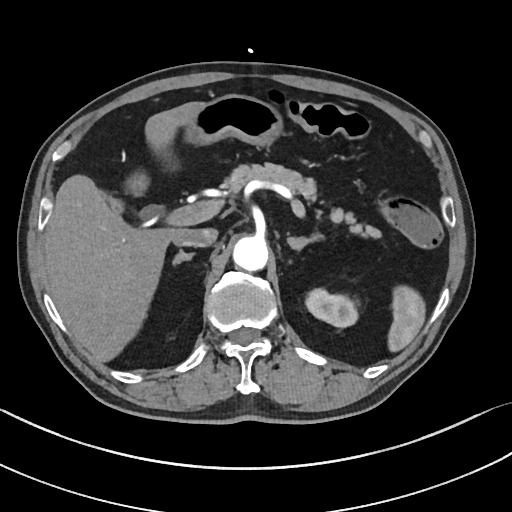 Computed tomography, abdomen — Axial slice 165/306 — 15 organs annotated in this scan (that count is for the whole scan; organs this slice misses have no box)
{"organs":{"spleen":[388,285,425,352],"left kidney":[305,288,358,327],"gall bladder":[99,193,123,213],"liver":[44,102,203,361],"stomach":[186,94,283,146],"aorta":[233,236,268,271],"inferior vena cava":[174,228,217,247],"pancreas":[223,163,381,238],"right adrenal gland":[173,250,194,264],"left adrenal gland":[287,234,324,250]}}